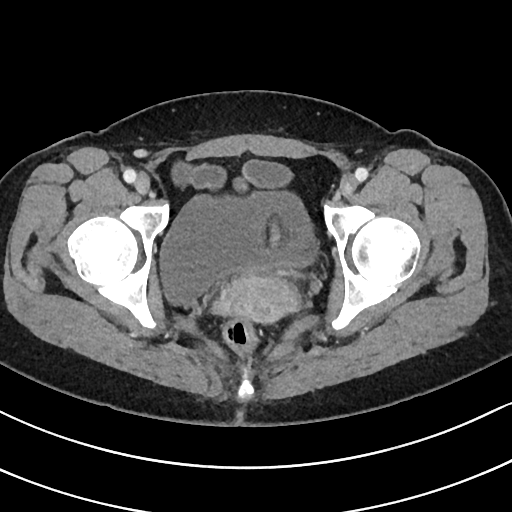 Abdominal CT; Axial slice 24/206; 512x512 px
Each box given as x1,y1,x2,y2. 2 labeled organs on this slice — bladder at x1=160, y1=191, x2=313, y2=304; prostate/uterus at x1=214, y1=220, x2=299, y2=323.